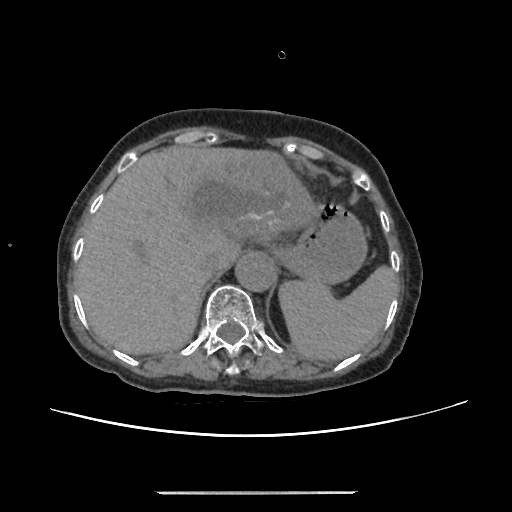

CT abdomen; axial view; soft-tissue window; 512x512 px
Bounding boxes in pixels, one row per box: x1, y1 is the top-left corner and x2, y2 the bottom-right.
| organ | x1 | y1 | x2 | y2 |
|---|---|---|---|---|
| spleen | 279 | 264 | 399 | 361 |
| liver | 74 | 145 | 315 | 354 |
| stomach | 277 | 202 | 367 | 282 |
| aorta | 234 | 253 | 275 | 291 |
| inferior vena cava | 199 | 252 | 220 | 273 |